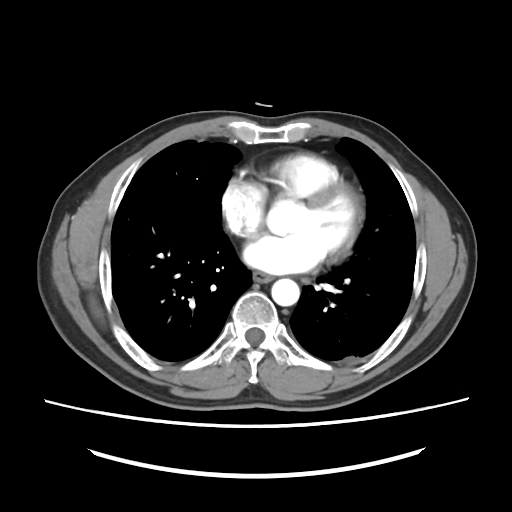

Lower-chest slice from an abdominal CT, just above the liver and spleen — axial plane, index 100 — 512x512 px — Aquilion ONE scanner
No part of the heart or lungs is labeled in this dataset, so neither has a box here.
Boxes are (x1, y1, x2, y2) in pixels.
esophagus: (253, 271, 273, 282)
aorta: (271, 278, 299, 306)